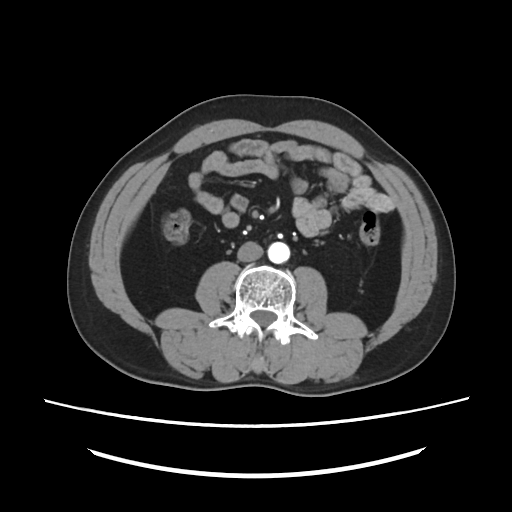
CT, abdomen/pelvis. axial view. W/L 400/40 HU. 512x512 px. 46-year-old male patient. acquired on Aquilion ONE
{"organs":{"inferior vena cava":[237,241,263,261],"aorta":[267,241,290,263]}}